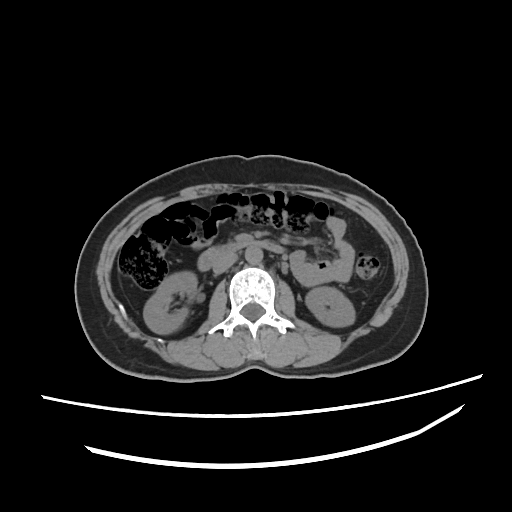
CT abdomen · axial view · soft-tissue window
Coordinates as <box>x1,y1,x2,y2</box> in pixels.
Organ bounding boxes:
- right kidney: <box>143,271,197,333</box>
- left kidney: <box>305,287,355,327</box>
- aorta: <box>245,247,261,262</box>
- inferior vena cava: <box>215,254,236,274</box>
- duodenum: <box>199,242,284,271</box>